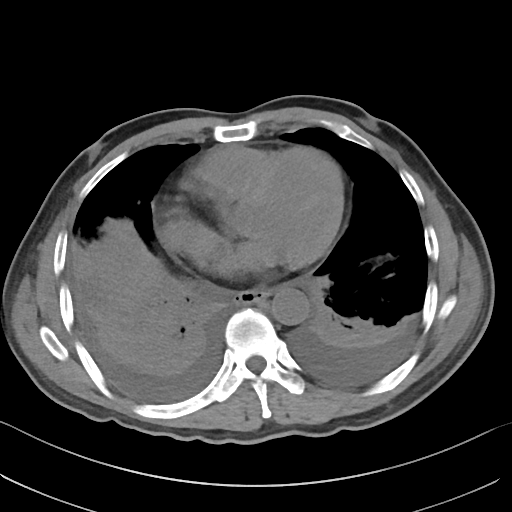
CT of the abdomen reaching into the lower chest, slice just above the liver and spleen; axial plane, index 91; 512x512 px
No part of the heart or lungs is labeled in this dataset, so neither has a box here. Boxes: x1 y1 x2 y2 (pixel coords, space-separated). The annotated organs in this slice are: esophagus at 232 289 270 303, aorta at 271 287 309 324.